Abdominal CT; axial view
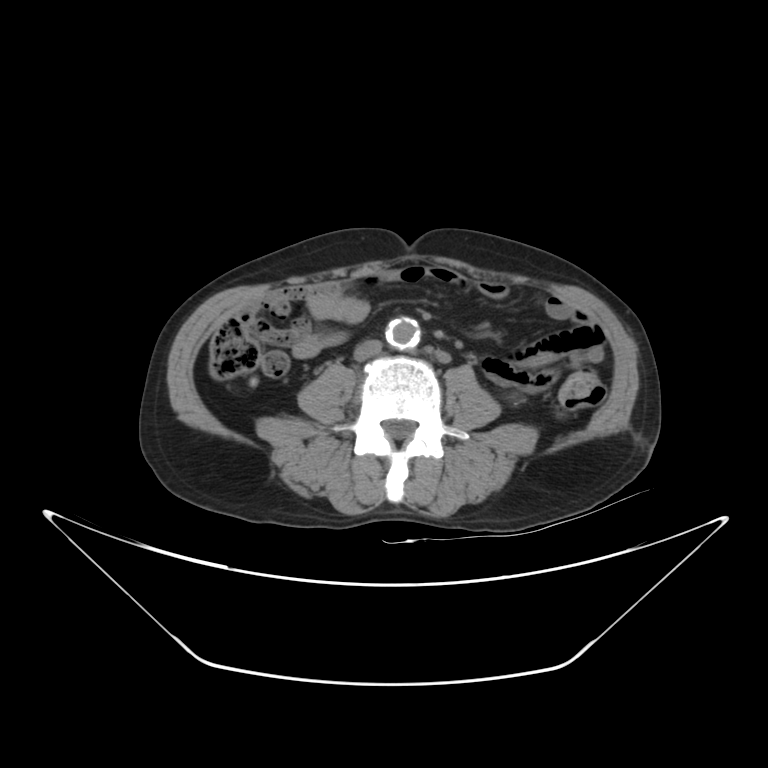 Each box given as x1,y1,x2,y2.
aorta: x1=386, y1=318, x2=420, y2=349
inferior vena cava: x1=354, y1=340, x2=381, y2=360